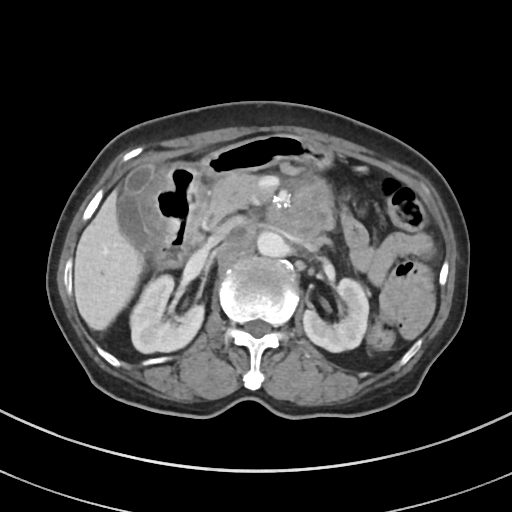

CT, abdomen/pelvis; axial view; SOMATOM Force scanner
Boxes: x1 y1 x2 y2 (pixel coords, space-separated).
right kidney: 130 275 204 353
left kidney: 303 278 368 352
gall bladder: 117 164 156 248
liver: 74 191 143 330
stomach: 144 136 332 249
aorta: 257 231 287 257
inferior vena cava: 214 219 238 240
pancreas: 199 173 260 228
left adrenal gland: 313 237 330 248
duodenum: 156 239 197 268